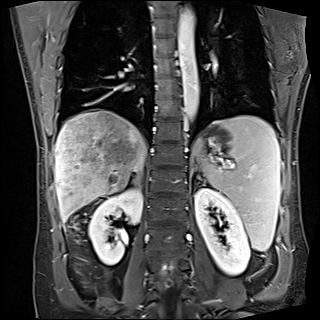 Abdominal MR · coronal view · percentile-normalized
Coordinates as <box>x1,y1,x2,y2</box> in pixels.
spleen: <box>195,116,280,251</box>
right kidney: <box>88,188,142,265</box>
left kidney: <box>195,188,250,275</box>
liver: <box>54,109,146,221</box>
stomach: <box>210,138,217,147</box>
aorta: <box>178,7,198,124</box>
inferior vena cava: <box>137,161,143,171</box>
right adrenal gland: <box>131,170,141,184</box>
left adrenal gland: <box>195,177,200,184</box>